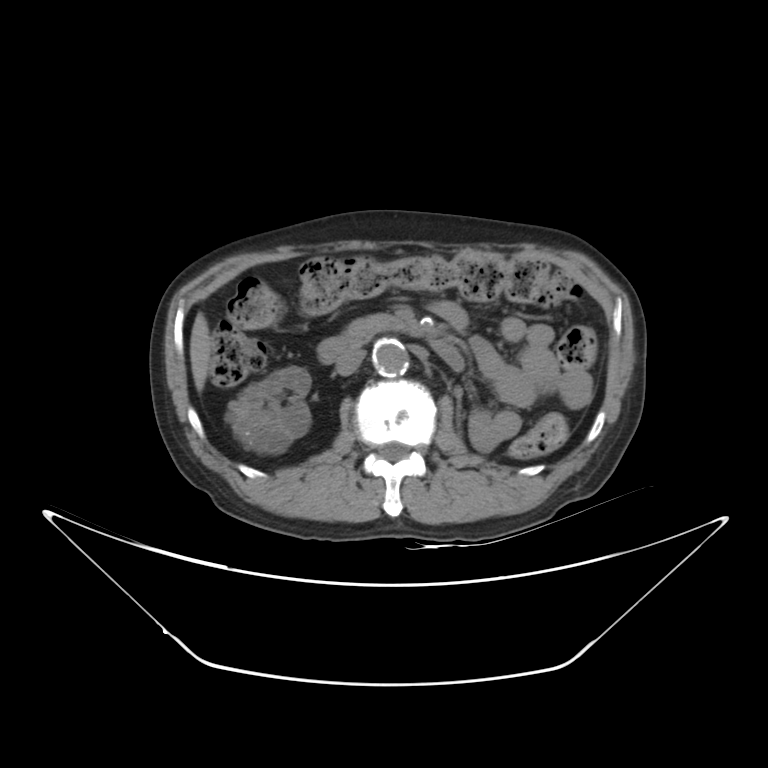 CT abdomen · Axial slice 66/94 · soft-tissue window (W 400 / L 40) · 768x768 px · 59-year-old male patient
Boxes: x1 y1 x2 y2 (pixel coords, space-separated).
liver: 189 313 211 391
pancreas: 345 314 416 344
duodenum: 318 336 463 371
inferior vena cava: 336 346 364 375
right kidney: 229 367 310 453
aorta: 373 338 408 376